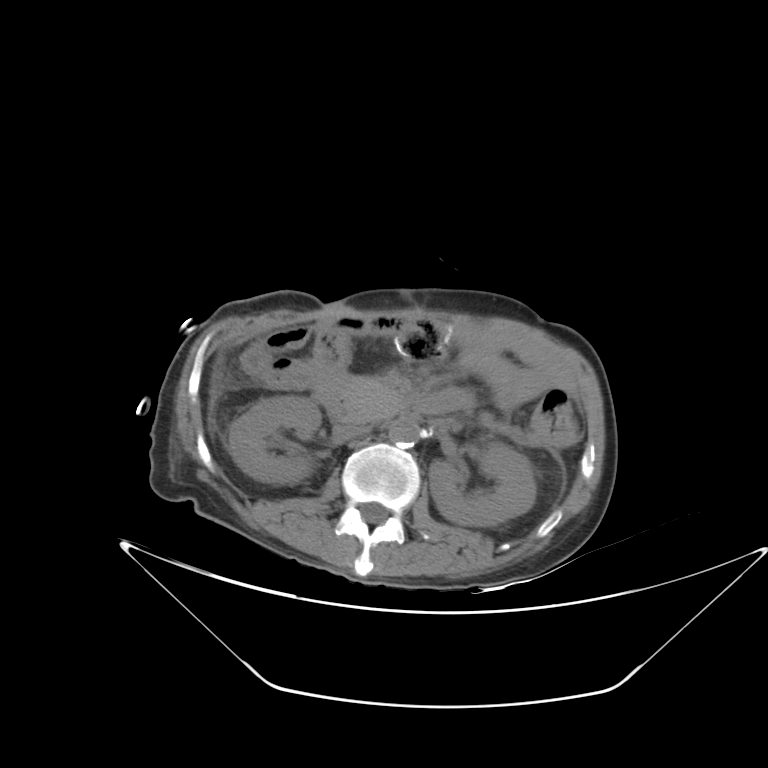

CT, abdomen/pelvis. axial view. 56-year-old male patient
Boxes: x1 y1 x2 y2 (pixel coords, space-separated).
right kidney: 228 396 321 484
left kidney: 429 442 535 526
aorta: 389 418 419 447
inferior vena cava: 335 425 369 439
pancreas: 341 378 396 421
duodenum: 315 390 468 422